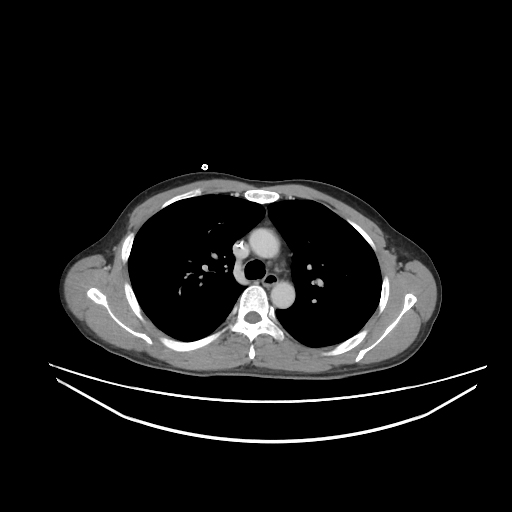

Chest-level slice from an abdominal CT that extends up into the chest · axial view · soft-tissue window · 512x512 px · 15 organs annotated in this scan (counted over the whole 3D scan, not this slice; an organ is boxed only where this slice passes through it)
At this level of the chest this dataset labels only the esophagus and the aorta, and each is boxed only where it is labeled; the heart and lungs are never labeled.
Bounding boxes in pixels, one row per box: x1, y1 is the top-left corner and x2, y2 the bottom-right.
| organ | x1 | y1 | x2 | y2 |
|---|---|---|---|---|
| esophagus | 263 | 274 | 277 | 286 |
| aorta | 249 | 228 | 279 | 258 |
| aorta | 270 | 281 | 295 | 308 |